Computed tomography, abdomen. axial view. abdomen soft-tissue window
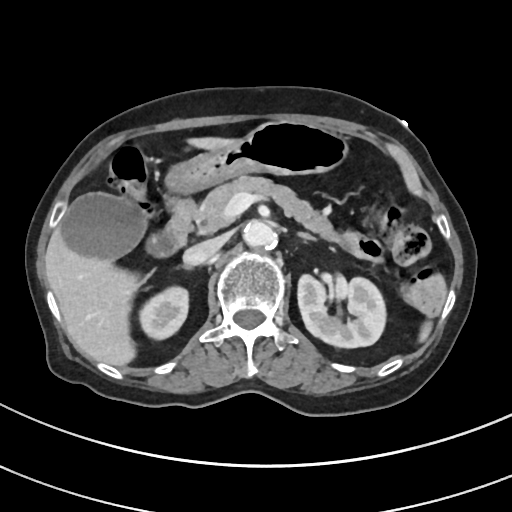 Box edges are left/top/right/bottom in pixels. Labeled organs on this slice: spleen at left=420, top=324, right=431, bottom=341, right kidney at left=140, top=285, right=187, bottom=338, left kidney at left=296, top=273, right=385, bottom=348, gall bladder at left=62, top=192, right=170, bottom=257, liver at left=45, top=135, right=238, bottom=367, stomach at left=165, top=120, right=347, bottom=195, aorta at left=244, top=222, right=277, bottom=251, inferior vena cava at left=183, top=238, right=224, bottom=266, pancreas at left=193, top=176, right=344, bottom=245, right adrenal gland at left=181, top=265, right=193, bottom=273, left adrenal gland at left=298, top=233, right=316, bottom=240, duodenum at left=162, top=197, right=195, bottom=255.